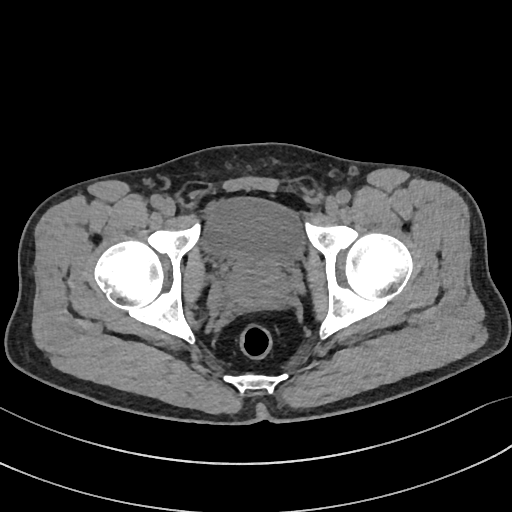

Abdominal CT · axial view · 512x512 px
Bounding boxes in pixels, one row per box: x1, y1 is the top-left corner and x2, y2 the bottom-right.
| organ | x1 | y1 | x2 | y2 |
|---|---|---|---|---|
| bladder | 203 | 199 | 302 | 259 |
| prostate/uterus | 224 | 258 | 289 | 311 |